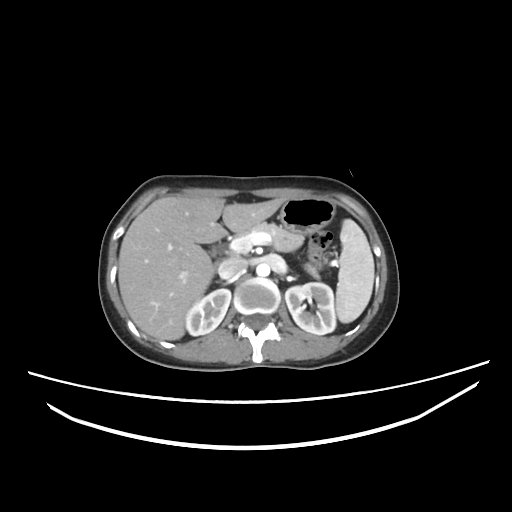 CT, abdomen/pelvis; axial view; soft-tissue window
Organ boxes in pixel coordinates; each row gives the top-left (x1, y1) and bottom-right (x2, y2) corners.
| organ | x1 | y1 | x2 | y2 |
|---|---|---|---|---|
| right adrenal gland | 216 | 281 | 221 | 283 |
| inferior vena cava | 218 | 258 | 247 | 279 |
| stomach | 279 | 197 | 335 | 233 |
| pancreas | 231 | 222 | 318 | 277 |
| left kidney | 285 | 282 | 335 | 334 |
| spleen | 335 | 219 | 374 | 323 |
| liver | 118 | 196 | 285 | 340 |
| aorta | 256 | 263 | 270 | 276 |
| right kidney | 185 | 289 | 231 | 335 |